CT abdomen; Axial slice 25/314; abdomen soft-tissue window; SOMATOM Force scanner
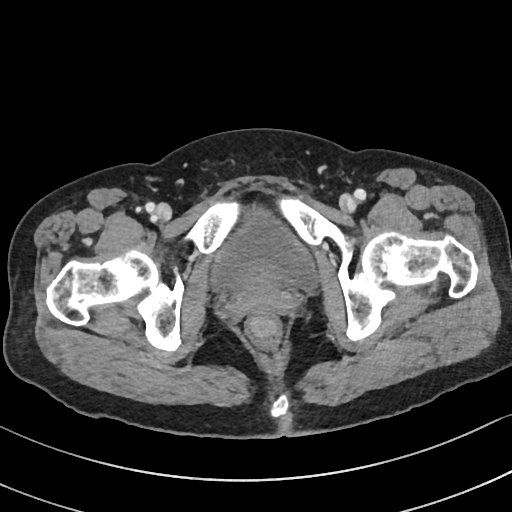

<organs><organ name="bladder" x1="209" y1="208" x2="315" y2="287"/></organs>